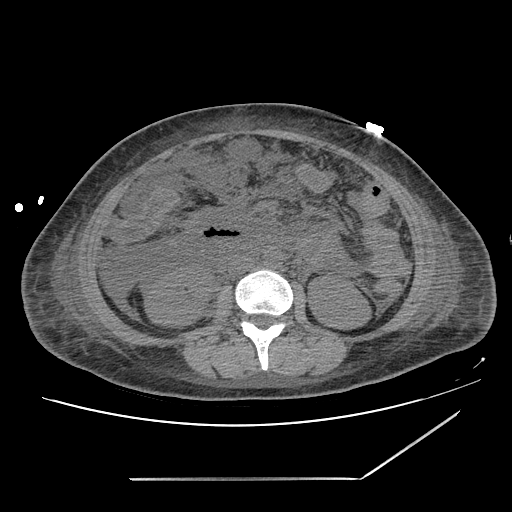 CT abdomen. Axial slice 100/191. W/L 400/40 HU
One row per box, in pixels: columns x1 and y1 give the top-left corner, x2 and y2 the bottom-right.
| organ | x1 | y1 | x2 | y2 |
|---|---|---|---|---|
| aorta | 263 | 250 | 282 | 268 |
| right kidney | 143 | 266 | 213 | 327 |
| left kidney | 307 | 275 | 372 | 329 |
| inferior vena cava | 227 | 255 | 254 | 276 |